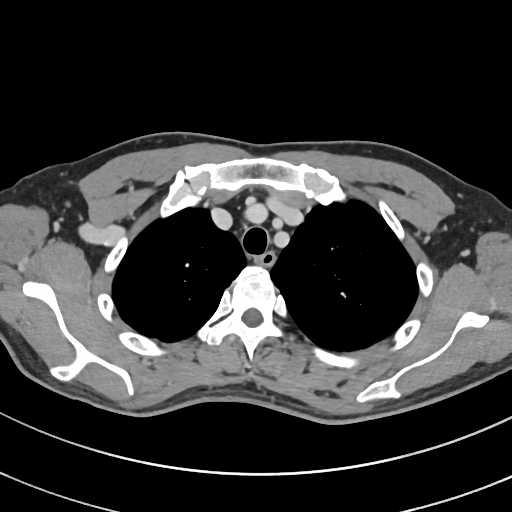 Abdominal CT reaching into the chest; this slice is in the chest; axial plane, index 264; W/L 400/40 HU
On a slice this high in the chest, this dataset labels only the esophagus and the aorta, and each is boxed only where it is labeled; the heart, lungs and other chest structures are not labeled. Boxes: x1:y1:x2:y2 in pixels. The annotated organs in this slice are: esophagus at 256:252:276:266.